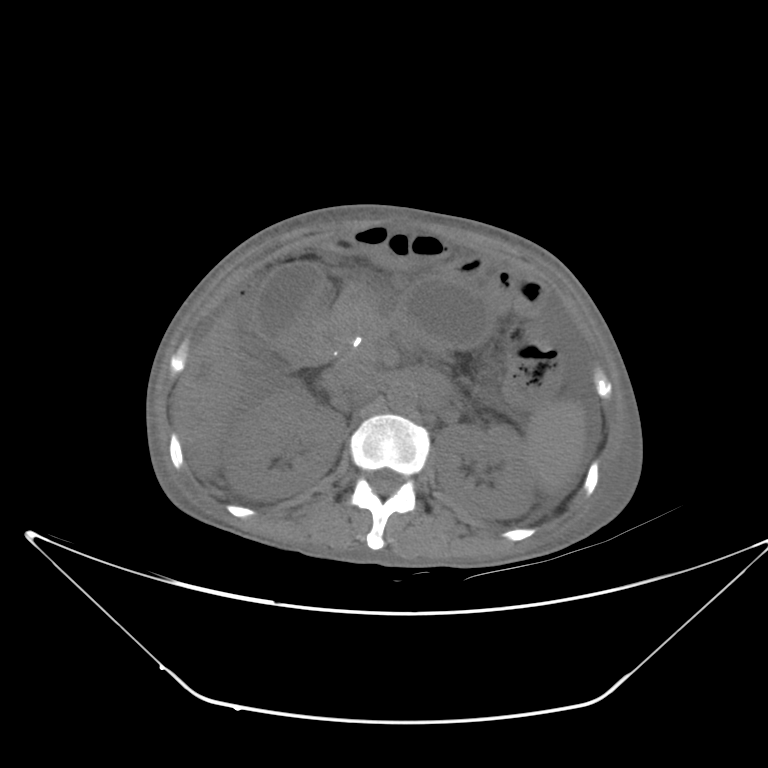 Computed tomography, abdomen · axial view · soft-tissue window (W 400 / L 40)
Organ boxes in pixel coordinates; each row gives the top-left (x1, y1) and bottom-right (x2, y2) corners.
| organ | x1 | y1 | x2 | y2 |
|---|---|---|---|---|
| gall bladder | 255 | 262 | 327 | 339 |
| aorta | 386 | 380 | 418 | 412 |
| spleen | 525 | 399 | 585 | 497 |
| right kidney | 222 | 381 | 344 | 499 |
| left kidney | 434 | 423 | 535 | 519 |
| pancreas | 333 | 291 | 379 | 359 |
| inferior vena cava | 333 | 366 | 376 | 410 |
| duodenum | 282 | 311 | 336 | 363 |
| liver | 172 | 314 | 249 | 474 |
| stomach | 403 | 275 | 487 | 347 |